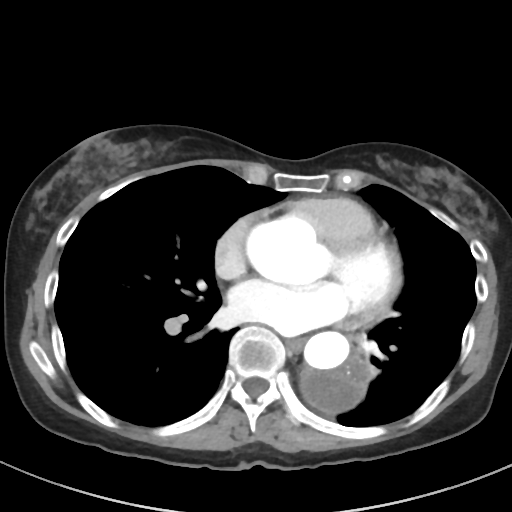
Chest-level slice from an abdominal CT that extends up into the chest. Axial slice 84/116. 512x512 px
On a slice this high in the chest, this dataset labels only the esophagus and the aorta, and each is boxed only where it is labeled; the heart, lungs and other chest structures are not labeled.
Organ boxes in pixel coordinates; each row gives the top-left (x1, y1) and bottom-right (x2, y2) corners.
| organ | x1 | y1 | x2 | y2 |
|---|---|---|---|---|
| esophagus | 286 | 337 | 304 | 351 |
| aorta | 301 | 331 | 370 | 410 |